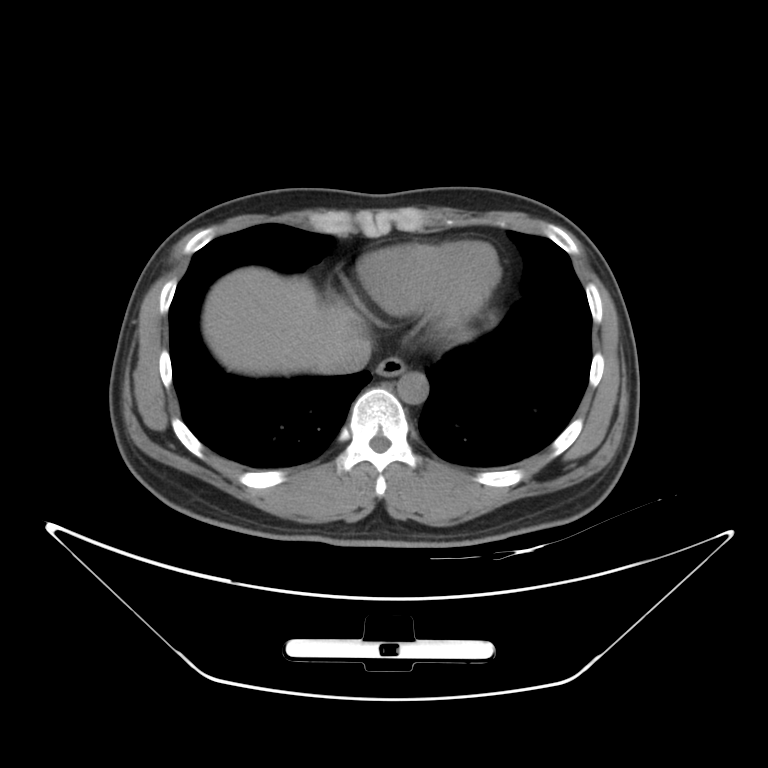
Abdominal CT; axial plane, index 93; 25-year-old male patient; 15 organs annotated in this scan (counted over the whole 3D scan, not this slice; an organ is boxed only where this slice passes through it)
{"organs":{"esophagus":[376,356,406,377],"liver":[203,267,367,375],"aorta":[398,372,428,403],"inferior vena cava":[319,341,371,373]}}